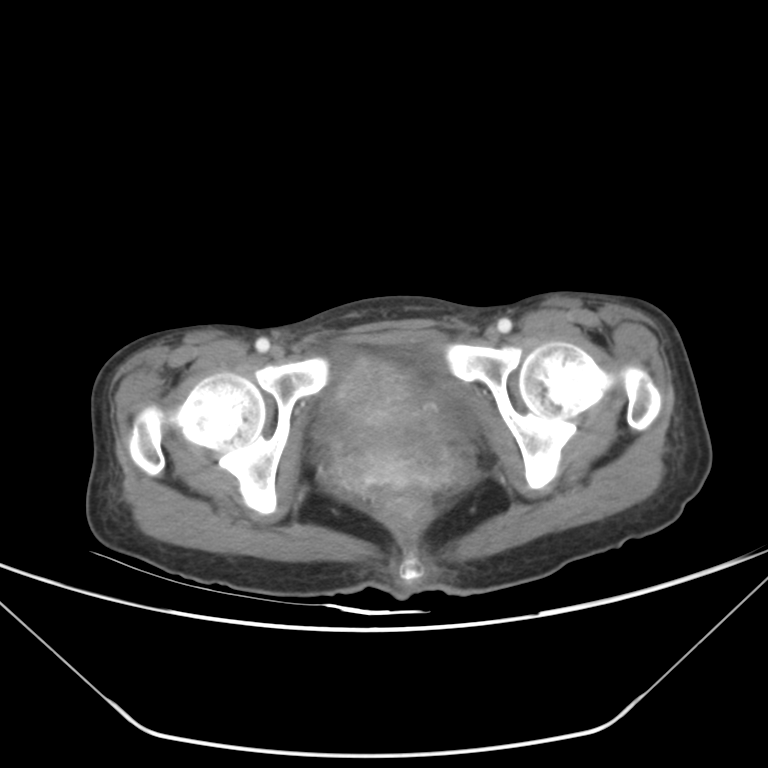

CT, abdomen/pelvis · axial view · 768x768 px
<organs><organ name="bladder" x1="314" y1="345" x2="480" y2="442"/><organ name="prostate/uterus" x1="327" y1="357" x2="455" y2="493"/></organs>